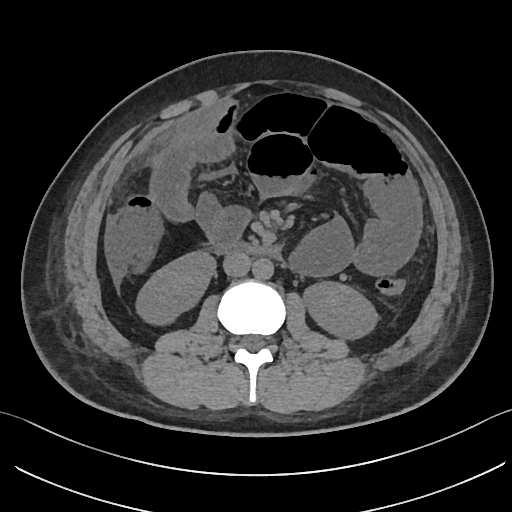 CT abdomen — axial view — scan has 15 labeled organs (counted over the whole 3D scan, not this slice; an organ is boxed only where this slice passes through it)
Boxes: x1:y1:x2:y2 in pixels.
right kidney: 136:251:215:324
left kidney: 303:281:377:339
aorta: 252:258:273:279
inferior vena cava: 223:252:251:276
duodenum: 215:241:275:255